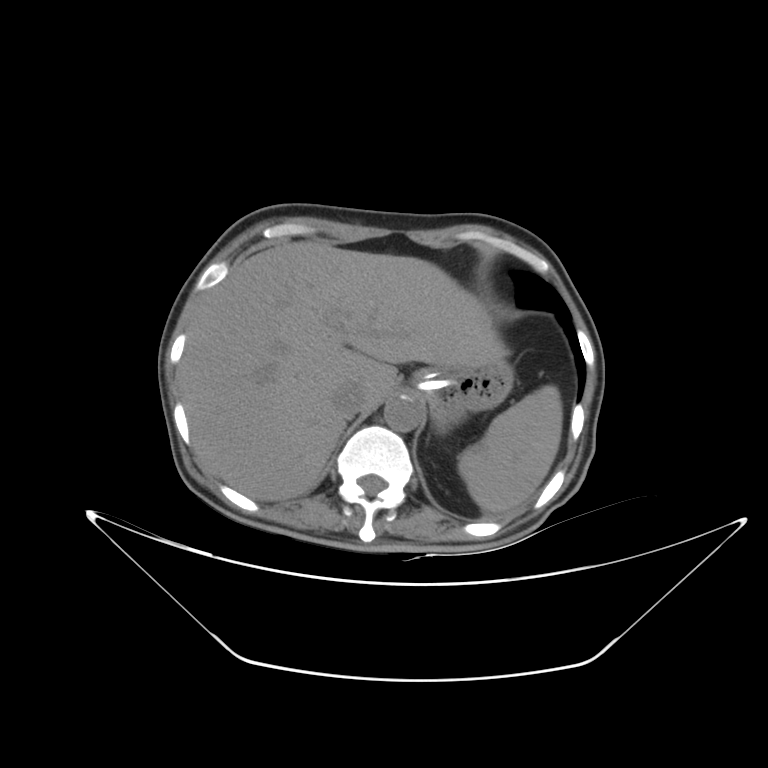 CT, abdomen/pelvis; axial view; 768x768 px; 15 organs annotated in this scan (a whole-scan count: organs this slice does not pass through have no box)
One row per box, in pixels: columns x1 and y1 give the top-left corner, x2 and y2 the bottom-right.
| organ | x1 | y1 | x2 | y2 |
|---|---|---|---|---|
| spleen | 458 | 385 | 562 | 513 |
| liver | 178 | 240 | 506 | 500 |
| stomach | 412 | 359 | 513 | 433 |
| aorta | 384 | 394 | 423 | 431 |
| inferior vena cava | 332 | 382 | 367 | 418 |